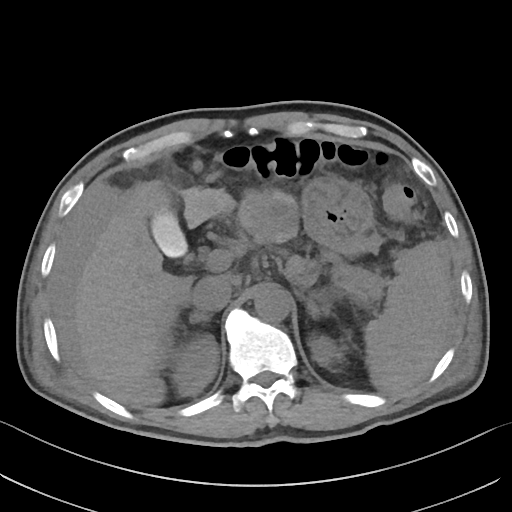 Abdominal CT. Axial slice 72/100. W/L 400/40 HU. scan has 15 labeled organs (that count is for the whole scan; organs this slice misses have no box)
Boxes: x1:y1:x2:y2 in pixels.
Organ bounding boxes:
- stomach: 296:177:373:247
- liver: 75:174:297:405
- aorta: 254:287:291:322
- gall bladder: 151:205:186:256
- left adrenal gland: 304:298:334:318
- inferior vena cava: 191:276:232:311
- right kidney: 170:335:218:395
- pancreas: 340:274:370:295
- left kidney: 307:335:343:366
- right adrenal gland: 189:311:211:323
- spleen: 364:243:450:390